Abdominal CT. axial view. acquired on SOMATOM Force
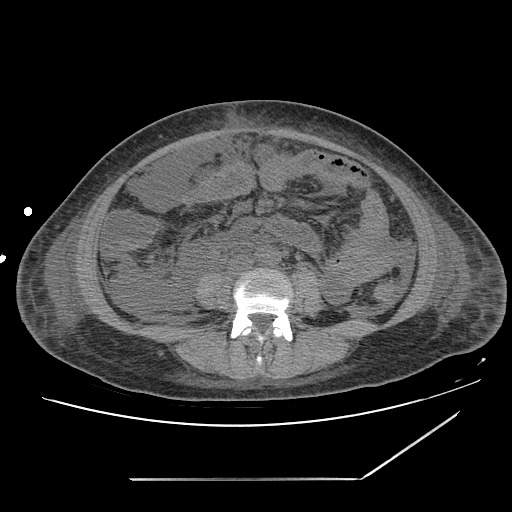 One row per box, in pixels: columns x1 and y1 give the top-left corner, x2 and y2 the bottom-right.
| organ | x1 | y1 | x2 | y2 |
|---|---|---|---|---|
| inferior vena cava | 227 | 255 | 253 | 275 |
| aorta | 255 | 248 | 280 | 265 |